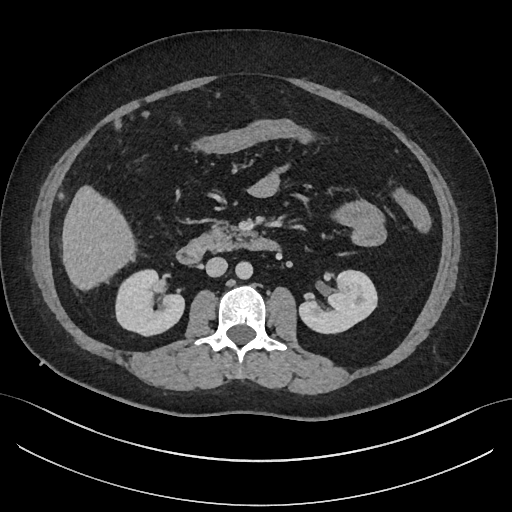
Abdominal CT. axial plane, index 139
Box edges are left/top/right/bottom in pixels. 7 labeled organs on this slice — right kidney at left=115, top=269, right=183, bottom=334; left kidney at left=300, top=270, right=377, bottom=332; liver at left=62, top=186, right=133, bottom=288; aorta at left=235, top=261, right=252, bottom=278; inferior vena cava at left=206, top=257, right=227, bottom=277; pancreas at left=195, top=225, right=254, bottom=252; duodenum at left=176, top=237, right=276, bottom=263.